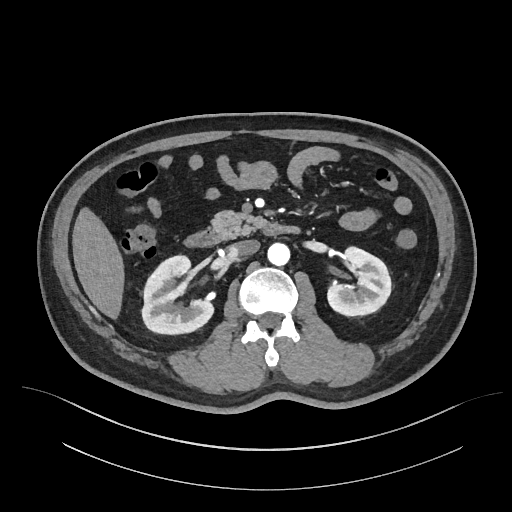

Abdominal CT — axial view
Each box given as x1,y1,x2,y2.
Organ bounding boxes:
- right kidney: x1=141, y1=255, x2=212, y2=333
- left kidney: x1=326, y1=247, x2=391, y2=315
- liver: x1=72, y1=209, x2=123, y2=318
- aorta: x1=267, y1=242, x2=290, y2=265
- inferior vena cava: x1=230, y1=239, x2=259, y2=256
- pancreas: x1=213, y1=211, x2=263, y2=239
- duodenum: x1=185, y1=223, x2=297, y2=246